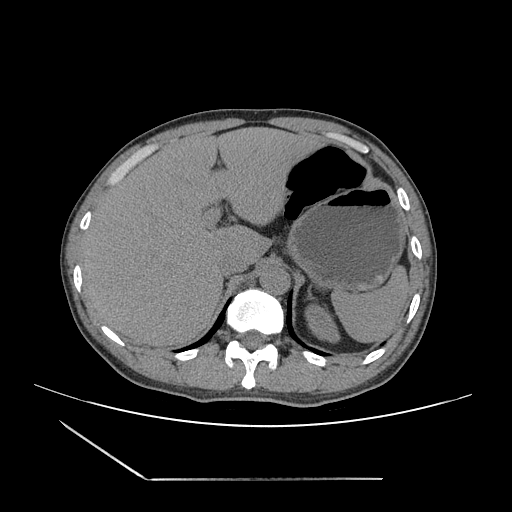
CT abdomen; axial view; soft-tissue window (W 400 / L 40); 512x512 px; 15 organs annotated in this scan (counted over the whole 3D scan, not this slice; an organ is boxed only where this slice passes through it)
Coordinates as <box>x1,y1,x2,y2</box> in pixels.
Organ bounding boxes:
- spleen: <box>331,266,409,342</box>
- left kidney: <box>305,304,339,342</box>
- liver: <box>80,127,322,346</box>
- stomach: <box>286,179,405,292</box>
- aorta: <box>259,266,290,294</box>
- inferior vena cava: <box>217,253,248,276</box>
- left adrenal gland: <box>308,287,313,299</box>